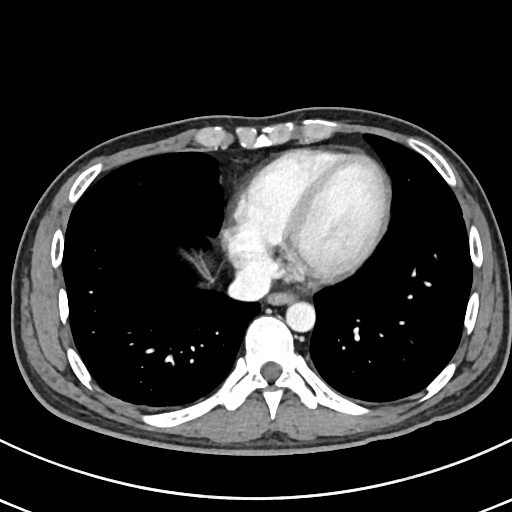
Lower-chest slice from an abdominal CT, just above the liver and spleen; axial view; soft-tissue window (W 400 / L 40); scan has 15 labeled organs (that count is for the whole scan; organs this slice misses have no box)
Of the structures in the chest, this dataset labels only the esophagus, the aorta and the inferior vena cava; the heart and lungs have no label.
Organ boxes in pixel coordinates; each row gives the top-left (x1, y1) and bottom-right (x2, y2) corners.
| organ | x1 | y1 | x2 | y2 |
|---|---|---|---|---|
| esophagus | 269 | 291 | 294 | 304 |
| aorta | 285 | 301 | 315 | 331 |
| inferior vena cava | 226 | 267 | 270 | 301 |